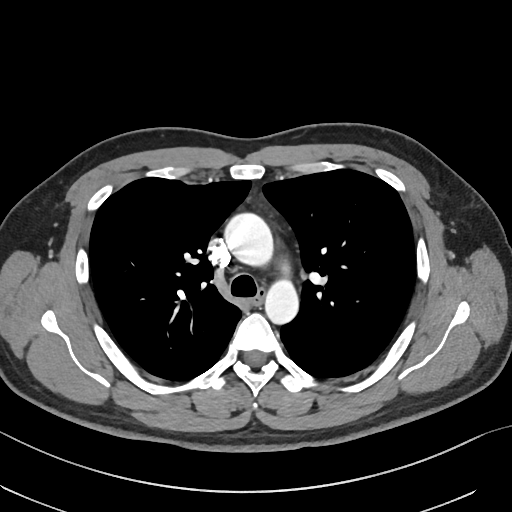

Chest-level slice from an abdominal CT that extends up into the chest — axial plane, index 257 — 15 organs annotated in this scan (counted over the whole 3D scan, not this slice; an organ is boxed only where this slice passes through it)
At this level of the chest this dataset labels only the esophagus and the aorta, and each is boxed only where it is labeled; the heart and lungs are never labeled.
One row per box, in pixels: columns x1 and y1 give the top-left corner, x2 and y2 the bottom-right.
| organ | x1 | y1 | x2 | y2 |
|---|---|---|---|---|
| aorta | 225 | 214 | 274 | 268 |
| aorta | 265 | 276 | 298 | 323 |
| esophagus | 250 | 288 | 265 | 305 |